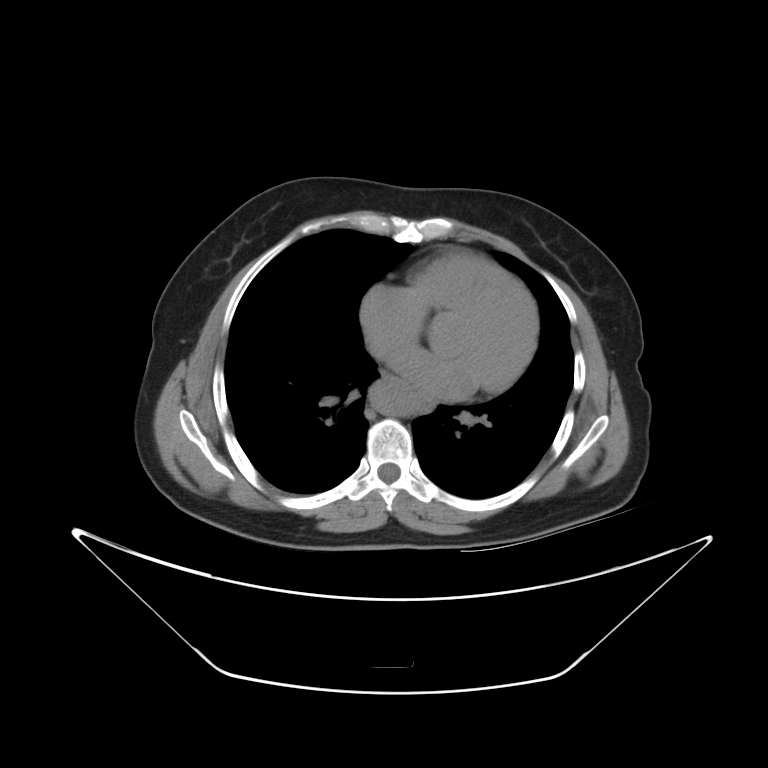
CT of the abdomen reaching into the lower chest, slice just above the liver and spleen — axial view — 768x768 px
The heart and lungs are never labeled in this dataset, so they have no box on this slice.
<organs><organ name="aorta" x1="369" y1="376" x2="437" y2="417"/></organs>